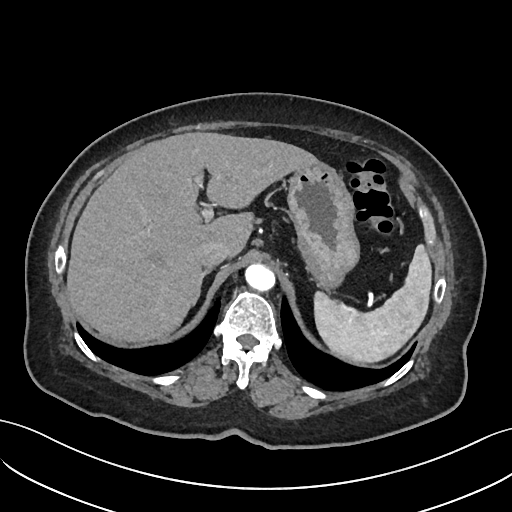
Computed tomography, abdomen; axial view; W/L 400/40 HU
Organ boxes in pixel coordinates; each row gives the top-left (x1, y1) and bottom-right (x2, y2) corners.
| organ | x1 | y1 | x2 | y2 |
|---|---|---|---|---|
| spleen | 314 | 245 | 431 | 363 |
| liver | 67 | 132 | 318 | 342 |
| stomach | 287 | 161 | 359 | 290 |
| aorta | 245 | 263 | 275 | 290 |
| inferior vena cava | 195 | 240 | 228 | 267 |
| right adrenal gland | 196 | 268 | 211 | 300 |